CT abdomen · axial view · 40-year-old male patient
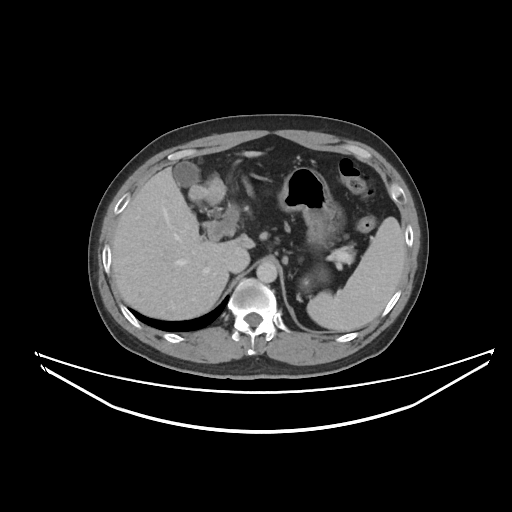
Boxes: x1:y1:x2:y2 in pixels. 6 labeled organs on this slice — spleen at 307:217:405:331; gall bladder at 173:162:200:187; liver at 112:151:261:319; stomach at 278:167:340:245; aorta at 256:261:277:282; inferior vena cava at 225:246:249:272.